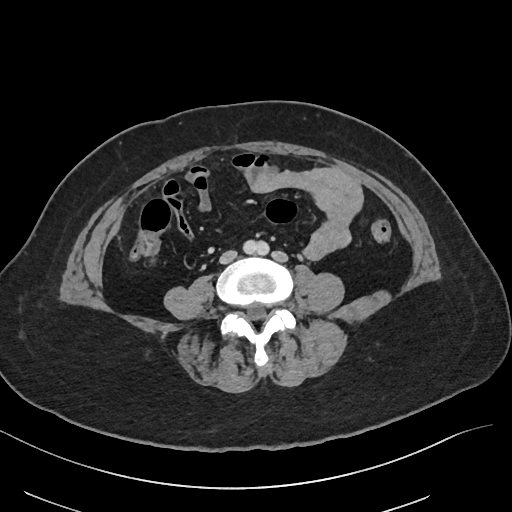

CT abdomen · Axial slice 109/244 · soft-tissue window (W 400 / L 40)
Coordinates as <box>x1,y1,x2,y2</box> in pixels.
Organ bounding boxes:
- aorta: <box>243,240,269,255</box>
- inferior vena cava: <box>220,250,237,263</box>